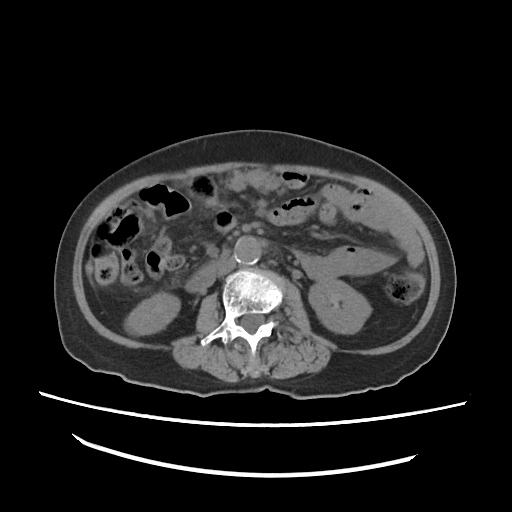
Abdominal CT · axial plane, index 53 · soft-tissue window (W 400 / L 40) · 512x512 px · 75-year-old female patient
Coordinates as <box>x1,y1,x2,y2</box> in pixels. The annotated organs in this slice are: left kidney at <box>309,279,370,333</box>, aorta at <box>234,237,260,265</box>, duodenum at <box>185,259,222,293</box>, inferior vena cava at <box>216,253,236,278</box>, right kidney at <box>124,294,180,334</box>.